Computed tomography, abdomen — axial view — 15 organs annotated in this scan (counted over the whole 3D scan, not this slice; an organ is boxed only where this slice passes through it)
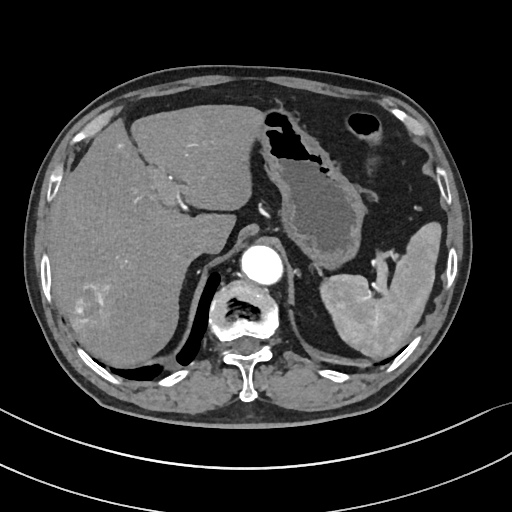

Boxes: x1 y1 x2 y2 (pixel coords, space-separated). The annotated organs in this slice are: aorta at 240 245 280 282, spleen at 320 221 442 359, stomach at 258 107 363 265, inferior vena cava at 179 233 210 260, liver at 47 104 262 368.